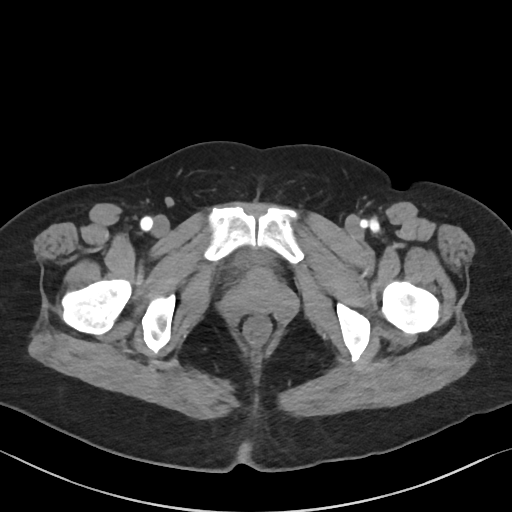 CT abdomen — axial view — SOMATOM Force scanner
Boxes: x1 y1 x2 y2 (pixel coords, space-separated).
bladder: 234 250 271 266